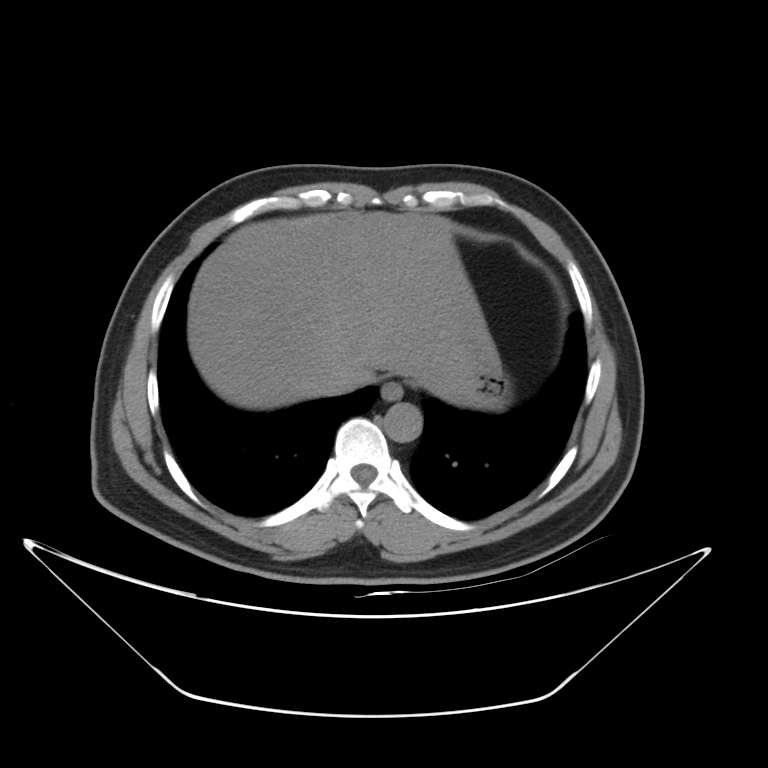
Abdominal CT · axial view · abdomen soft-tissue window · 768x768 px · 15 organs annotated in this scan (counted over the whole 3D scan, not this slice; an organ is boxed only where this slice passes through it)
<organs><organ name="esophagus" x1="381" y1="381" x2="402" y2="401"/><organ name="liver" x1="187" y1="211" x2="491" y2="409"/><organ name="stomach" x1="464" y1="353" x2="511" y2="409"/><organ name="aorta" x1="384" y1="403" x2="422" y2="442"/><organ name="inferior vena cava" x1="322" y1="362" x2="369" y2="393"/></organs>